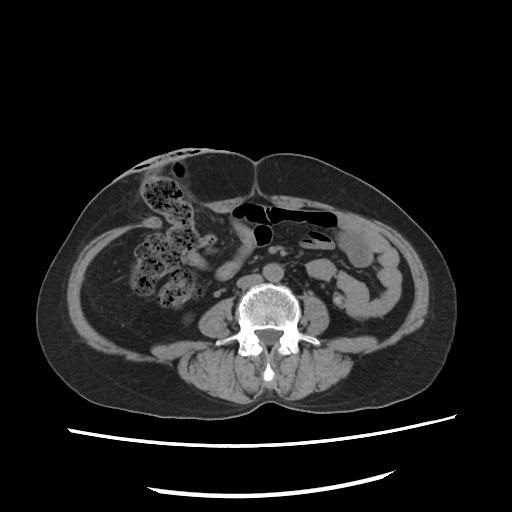
CT, abdomen/pelvis · axial view · 512x512 px · 15 organs annotated in this scan (that count is for the whole scan; organs this slice misses have no box)
Bounding boxes as [x1, y1, x2, y2] in pixel coordinates. Labeled organs on this slice: aorta at [262, 263, 282, 282], inferior vena cava at [236, 274, 264, 288].